CT, abdomen/pelvis · axial view · soft-tissue window
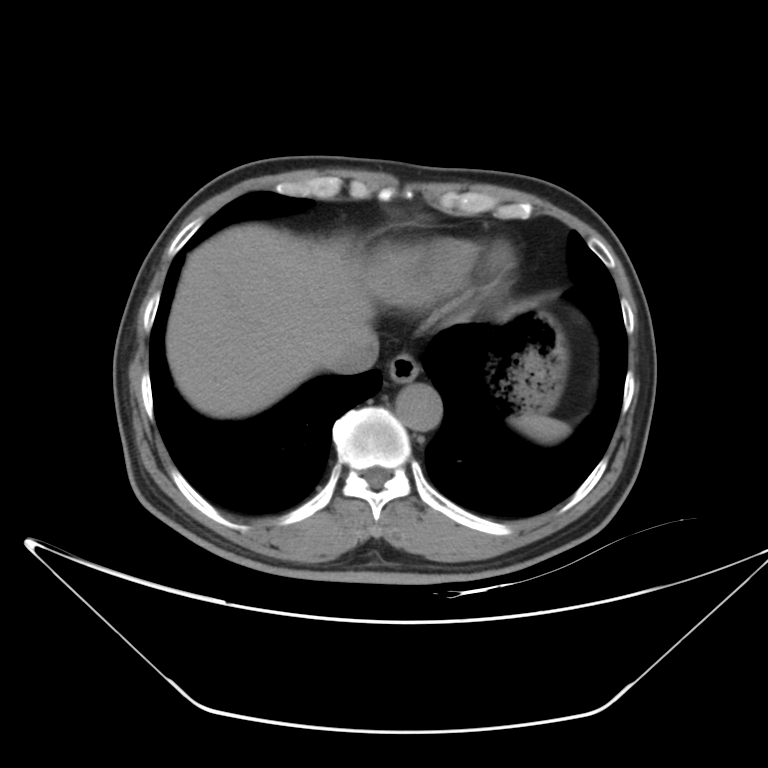 One row per box, in pixels: columns x1 and y1 give the top-left corner, x2 and y2 the bottom-right.
| organ | x1 | y1 | x2 | y2 |
|---|---|---|---|---|
| esophagus | 387 | 354 | 418 | 383 |
| aorta | 395 | 384 | 441 | 431 |
| liver | 166 | 224 | 373 | 417 |
| spleen | 514 | 417 | 569 | 443 |
| stomach | 506 | 310 | 567 | 416 |
| inferior vena cava | 327 | 333 | 377 | 373 |